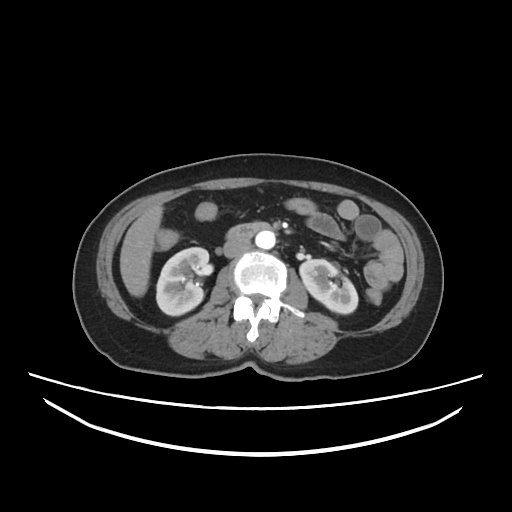
CT, abdomen/pelvis; axial view; 512x512 px; 62-year-old female patient; scan has 15 labeled organs (counted over the whole 3D scan, not this slice; an organ is boxed only where this slice passes through it)
Box edges are left/top/right/bottom in pixels.
Organ bounding boxes:
- right kidney: left=155, top=247, right=208, bottom=316
- left kidney: left=299, top=259, right=357, bottom=312
- liver: left=120, top=204, right=163, bottom=296
- aorta: left=255, top=230, right=275, bottom=249
- inferior vena cava: left=223, top=240, right=252, bottom=258
- duodenum: left=225, top=221, right=269, bottom=241